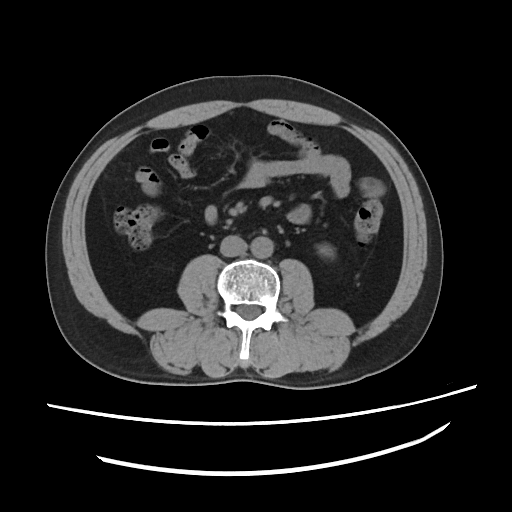 CT abdomen. axial plane, index 51. soft-tissue window (W 400 / L 40)
Box edges are left/top/right/bottom in pixels.
Organ bounding boxes:
- left kidney: left=318, top=244, right=332, bottom=256
- aorta: left=249, top=236, right=273, bottom=259
- inferior vena cava: left=220, top=234, right=246, bottom=256